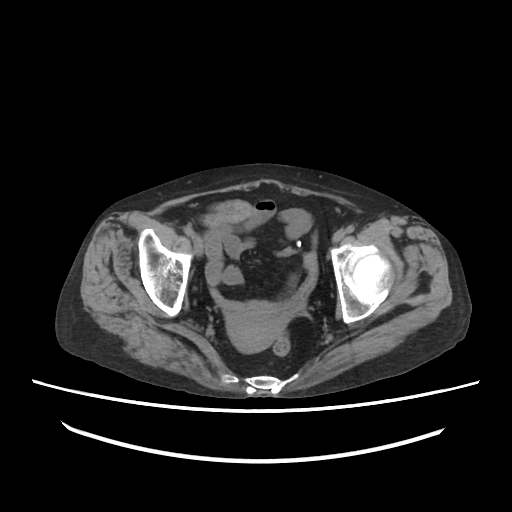

CT, abdomen/pelvis; axial view; 512x512 px; 61-year-old female patient; scan has 15 labeled organs (that count is for the whole scan; organs this slice misses have no box)
Coordinates as <box>x1,y1,x2,y2</box> in pixels. 1 labeled organ on this slice — prostate/uterus at <box>226,304,287,352</box>.